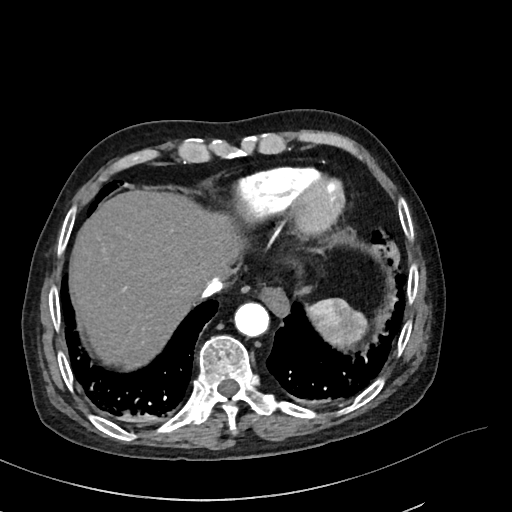
CT, abdomen/pelvis. axial plane, index 206. soft-tissue window (W 400 / L 40). 15 organs annotated in this scan (counted over the whole 3D scan, not this slice; an organ is boxed only where this slice passes through it)
{"organs":{"spleen":[307,298,367,348],"liver":[71,189,241,365],"aorta":[234,302,269,336],"esophagus":[259,286,288,314],"inferior vena cava":[196,278,222,299]}}